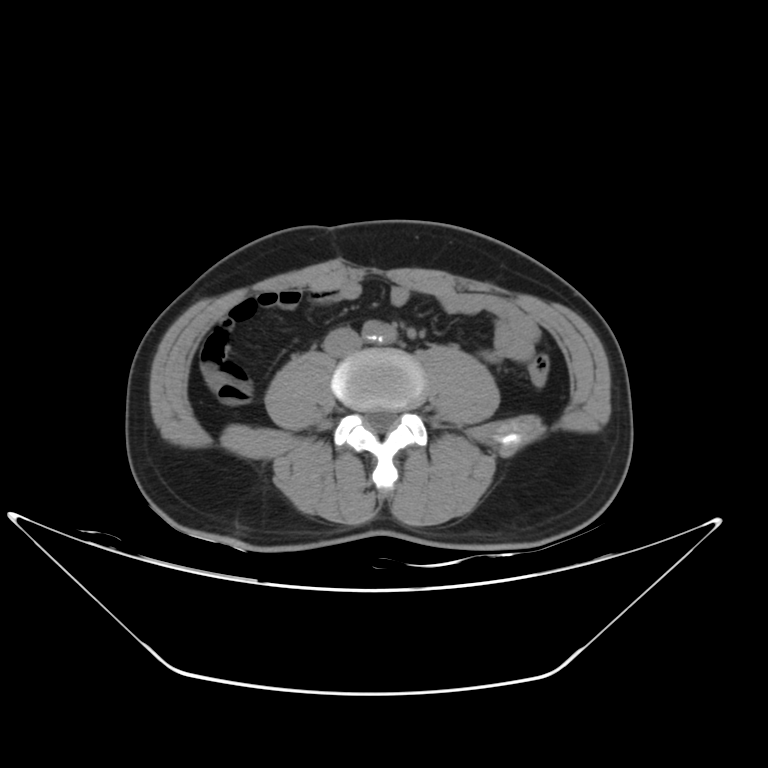
CT abdomen; axial view; soft-tissue window; scan has 15 labeled organs (a whole-scan count: organs this slice does not pass through have no box)
Boxes: x1:y1:x2:y2 in pixels. 1 labeled organ on this slice — inferior vena cava at 326:326:358:356.